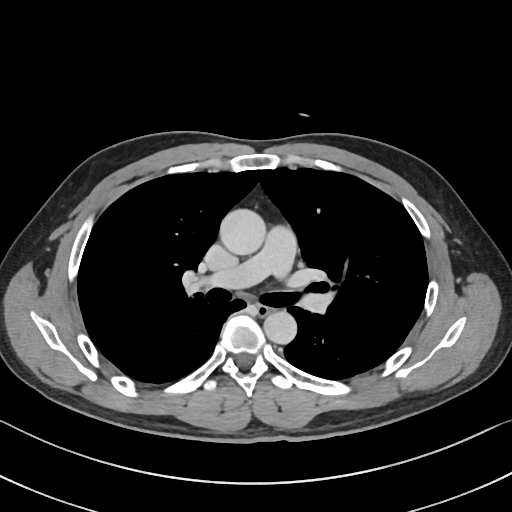
Chest-level slice from an abdominal CT that extends up into the chest — axial view — 15 organs annotated in this scan (that count is for the whole scan; organs this slice misses have no box)
At this level of the chest this dataset labels only the esophagus and the aorta, and each is boxed only where it is labeled; the heart and lungs are never labeled.
One row per box, in pixels: columns x1 and y1 give the top-left corner, x2 and y2 the bottom-right.
| organ | x1 | y1 | x2 | y2 |
|---|---|---|---|---|
| aorta | 219 | 208 | 266 | 255 |
| aorta | 263 | 311 | 296 | 344 |
| esophagus | 257 | 305 | 271 | 314 |